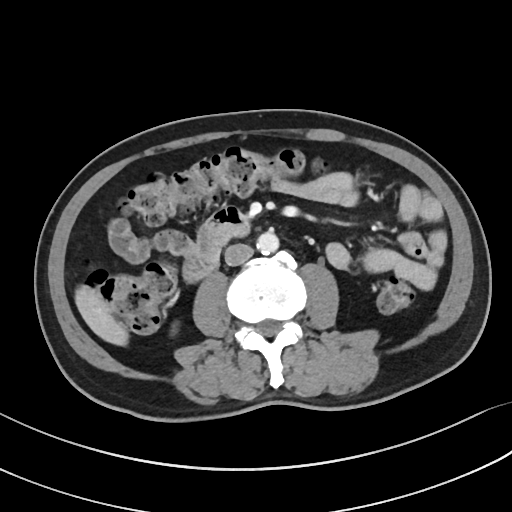
CT, abdomen/pelvis. axial view. soft-tissue window (W 400 / L 40)
Box edges are left/top/right/bottom in pixels. The annotated organs in this slice are: aorta at left=256, top=231, right=279, bottom=254, duodenum at left=183, top=207, right=249, bottom=282, liver at left=75, top=285, right=128, bottom=345, inferior vena cava at left=224, top=243, right=253, bottom=266.